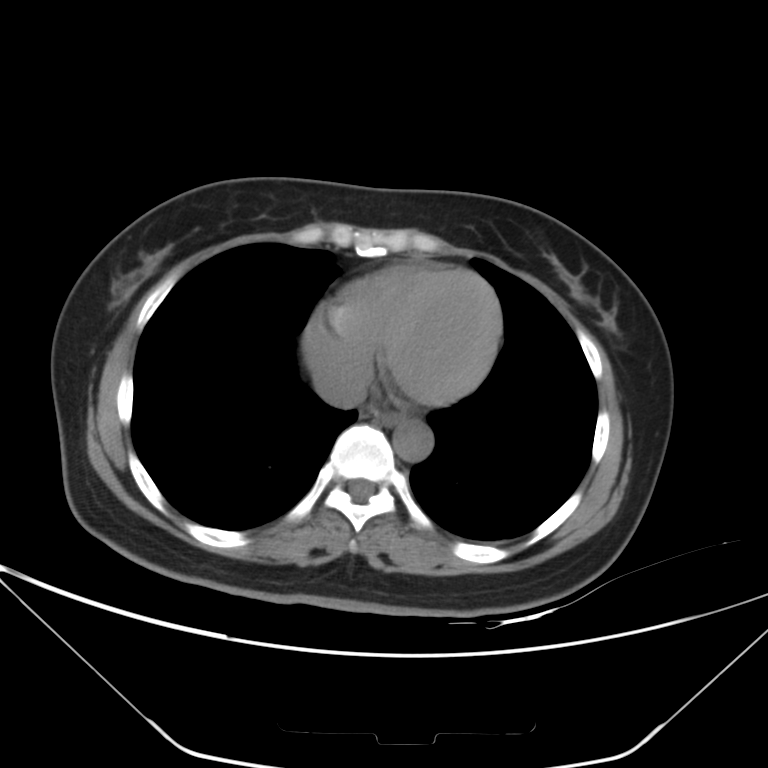

Lower-chest slice from an abdominal CT, just above the liver and spleen · axial view
Of the structures in the chest, this dataset labels only the esophagus, the aorta and the inferior vena cava; the heart and lungs have no label.
Box edges are left/top/right/bottom in pixels.
Organ bounding boxes:
- esophagus: left=376, top=412, right=405, bottom=425
- aorta: left=393, top=422, right=433, bottom=462
- inferior vena cava: left=312, top=357, right=366, bottom=408